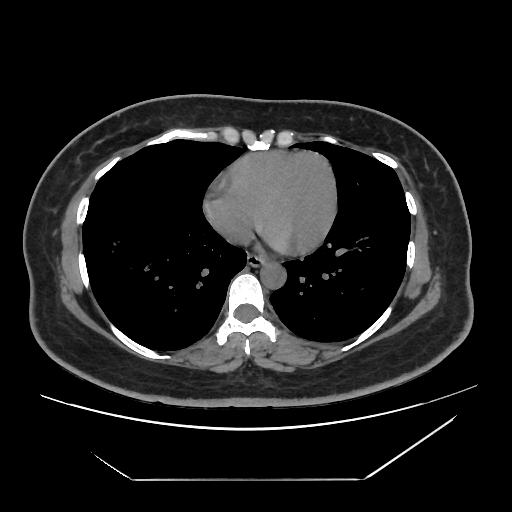

CT of the abdomen reaching into the lower chest, slice just above the liver and spleen; axial view; soft-tissue window, W/L 400/40
No part of the heart or lungs is labeled in this dataset, so neither has a box here.
Coordinates as <box>x1,y1,x2,y2</box> in pixels.
esophagus: <box>247,255,265,266</box>
aorta: <box>260,262,286,288</box>